Computed tomography, abdomen. axial view. soft-tissue window. 768x768 px. 40-year-old male patient. acquired on Brilliance16
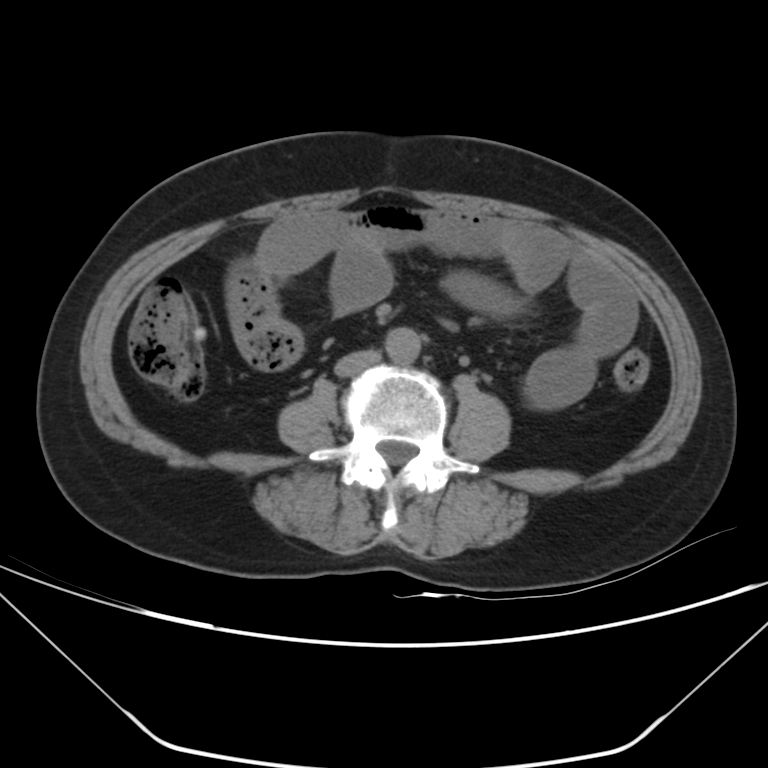 Organ boxes in pixel coordinates; each row gives the top-left (x1, y1) and bottom-right (x2, y2) corners.
| organ | x1 | y1 | x2 | y2 |
|---|---|---|---|---|
| aorta | 385 | 327 | 420 | 362 |
| inferior vena cava | 334 | 350 | 381 | 377 |